Computed tomography, abdomen; axial plane, index 27; SOMATOM Force scanner
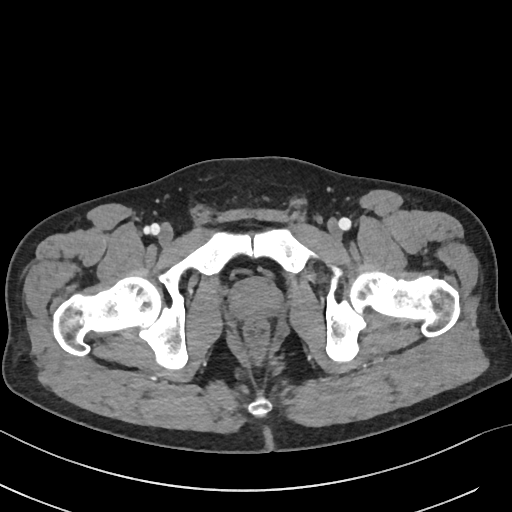
Boxes are (x1, y1, x2, y2) in pixels.
prostate/uterus: (230, 277, 281, 321)